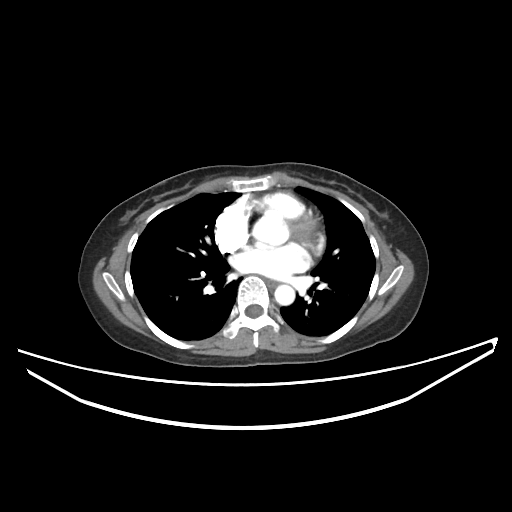

Chest-level slice from an abdominal CT that extends up into the chest; axial view; 512x512 px; 37-year-old female patient
At this level of the chest this dataset labels only the esophagus and the aorta, and each is boxed only where it is labeled; the heart and lungs are never labeled.
One row per box, in pixels: columns x1 and y1 give the top-left corner, x2 and y2 the bottom-right.
| organ | x1 | y1 | x2 | y2 |
|---|---|---|---|---|
| esophagus | 267 | 279 | 277 | 287 |
| aorta | 274 | 284 | 294 | 305 |